Abdominal MR. coronal view. Prisma scanner
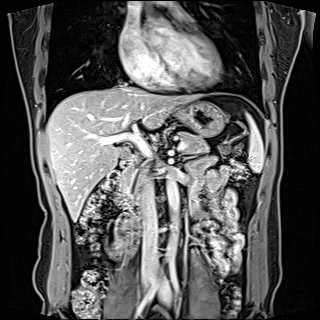

Boxes are (x1, y1, x2, y2) in pixels. The annotated organs in this slice are: liver at (46, 85, 200, 221), spleen at (247, 115, 263, 172), stomach at (176, 101, 225, 137), duodenum at (115, 152, 140, 214), pancreas at (120, 132, 227, 203), gall bladder at (120, 147, 129, 157), aorta at (165, 174, 179, 260), inferior vena cava at (142, 174, 157, 272).